Chest-level CT slice, above the liver and spleen; axial view; 62-year-old male patient
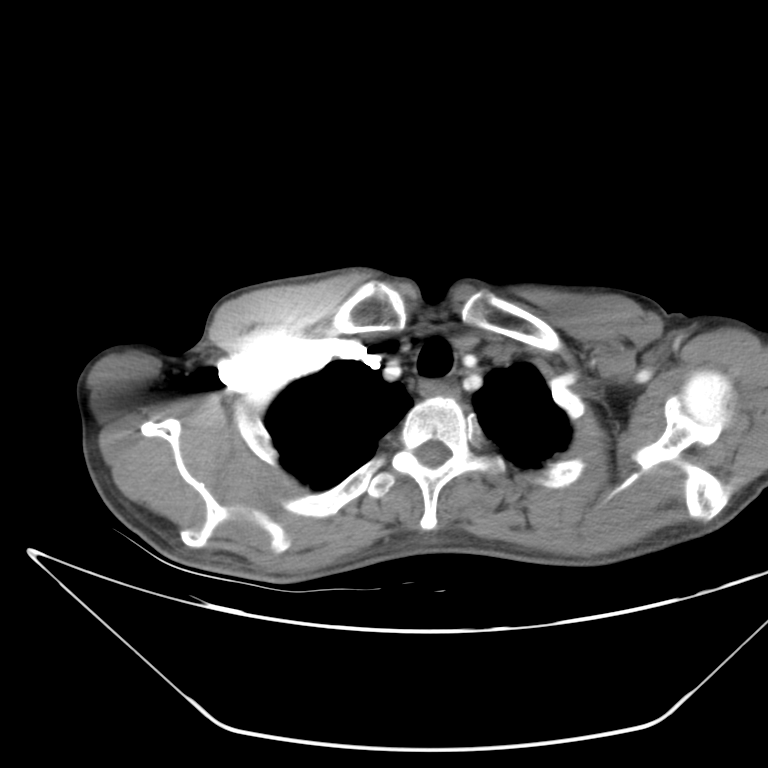
On a slice this high in the chest, this dataset labels only the esophagus and the aorta, and each is boxed only where it is labeled; the heart, lungs and other chest structures are not labeled.
Boxes: x1 y1 x2 y2 (pixel coords, space-separated).
esophagus: 418 377 459 398